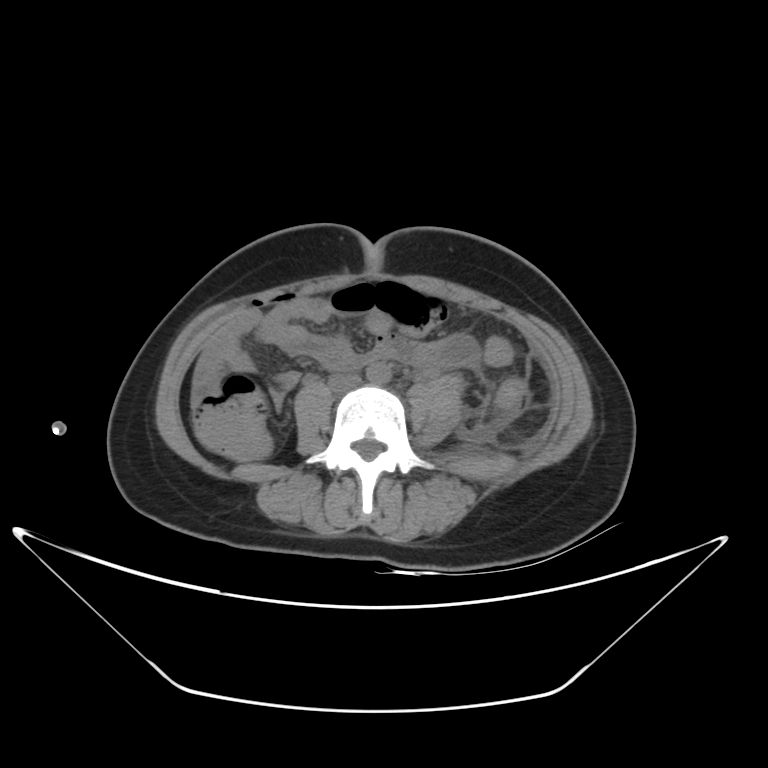

Abdominal CT · axial plane, index 47
Each box given as x1,y1,x2,y2.
aorta: x1=366, y1=363, x2=390, y2=384
inferior vena cava: x1=328, y1=374, x2=361, y2=390